Abdominal CT; axial view; W/L 400/40 HU
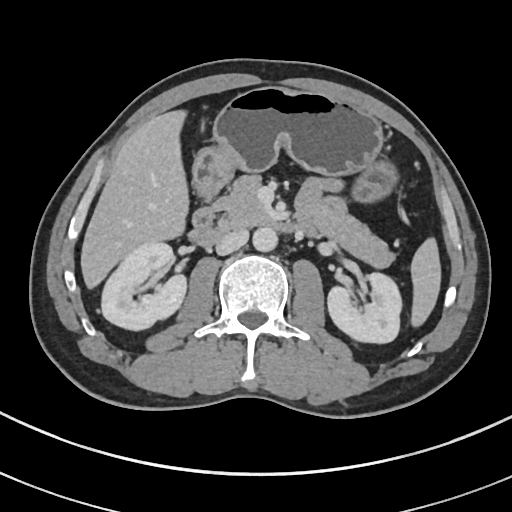

Boxes: x1:y1:x2:y2 in pixels.
Organ bounding boxes:
- spleen: 411:240:439:323
- right kidney: 100:241:187:329
- left kidney: 327:271:403:342
- liver: 81:112:188:286
- stomach: 193:86:397:202
- aorta: 253:227:278:251
- inferior vena cava: 216:230:249:254
- pancreas: 213:176:394:266
- duodenum: 186:205:305:247